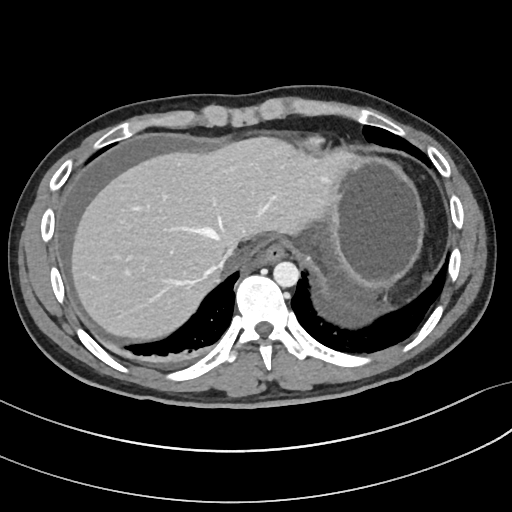 Computed tomography, abdomen. axial plane, index 216
Bounding boxes in pixels, one row per box: x1, y1 is the top-left corner and x2, y2 the bottom-right.
| organ | x1 | y1 | x2 | y2 |
|---|---|---|---|---|
| stomach | 328 | 157 | 423 | 287 |
| aorta | 273 | 261 | 298 | 287 |
| liver | 72 | 139 | 355 | 339 |
| inferior vena cava | 222 | 247 | 235 | 264 |
| esophagus | 253 | 243 | 286 | 264 |